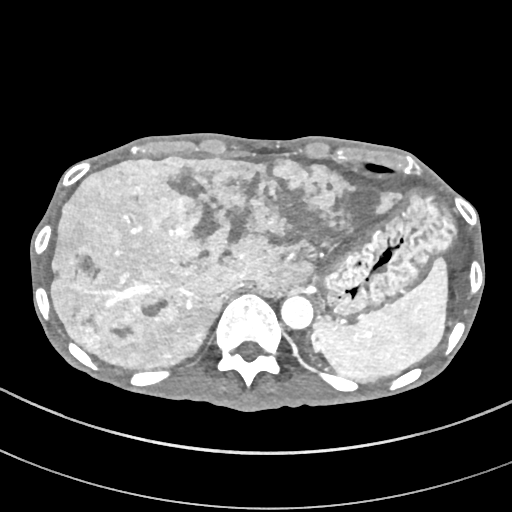

Computed tomography, abdomen · Axial slice 183/218 · soft-tissue window
Boxes: x1 y1 x2 y2 (pixel coords, space-separated). 5 labeled organs on this slice — inferior vena cava at 221 282 248 298; aorta at 281 296 313 328; stomach at 324 188 456 315; spleen at 312 257 449 380; liver at 49 155 402 370.